CT, abdomen/pelvis; axial view; soft-tissue window; 512x512 px; 15 organs annotated in this scan (counted over the whole 3D scan, not this slice; an organ is boxed only where this slice passes through it)
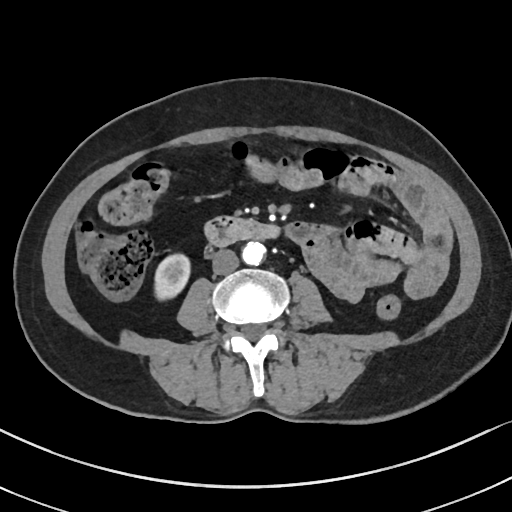 One row per box, in pixels: columns x1 and y1 give the top-left corner, x2 and y2 the bottom-right.
| organ | x1 | y1 | x2 | y2 |
|---|---|---|---|---|
| aorta | 242 | 242 | 265 | 265 |
| duodenum | 204 | 216 | 278 | 246 |
| inferior vena cava | 212 | 249 | 239 | 274 |
| right kidney | 154 | 254 | 190 | 300 |